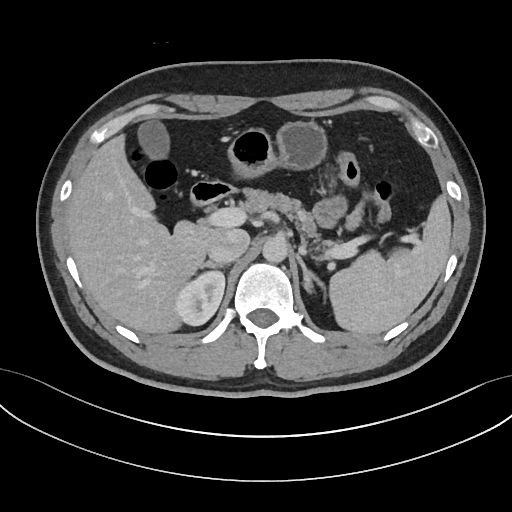
CT, abdomen/pelvis. axial plane, index 192. acquired on SOMATOM Force
Bounding boxes as [x1, y1, x2, y2] in pixel coordinates.
spleen: [329, 194, 450, 335]
aorta: [262, 236, 288, 263]
stomach: [226, 120, 328, 178]
duodenum: [191, 181, 234, 202]
inferior vena cava: [209, 228, 249, 264]
right adrenal gland: [198, 262, 226, 269]
left adrenal gland: [297, 256, 325, 295]
pancreas: [245, 189, 356, 251]
right kidney: [175, 270, 224, 324]
gall bladder: [136, 120, 171, 163]
liver: [66, 133, 230, 334]